CT, abdomen/pelvis — axial view — soft-tissue window
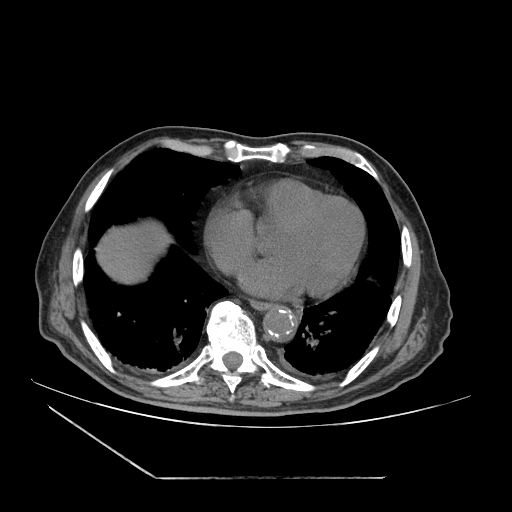

Each box given as x1,y1,x2,y2. Labeled organs on this slice: esophagus at x1=250, y1=300, x2=271, y2=310, liver at x1=96, y1=220, x2=172, y2=284, aorta at x1=263, y1=306, x2=296, y2=341.